Computed tomography, abdomen · axial view · abdomen soft-tissue window · 15 organs annotated in this scan (counted over the whole 3D scan, not this slice; an organ is boxed only where this slice passes through it)
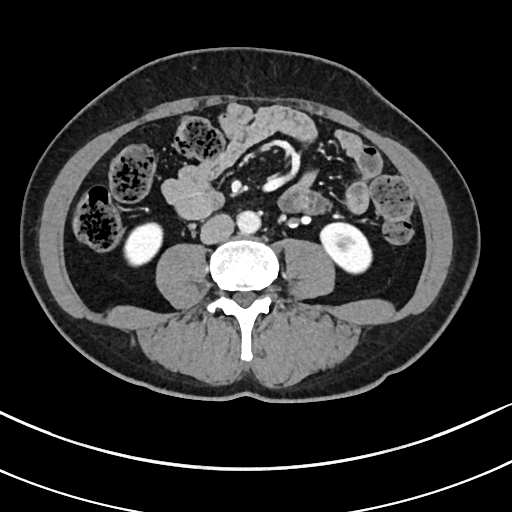
<organs><organ name="aorta" x1="237" y1="210" x2="260" y2="233"/><organ name="inferior vena cava" x1="200" y1="214" x2="233" y2="244"/><organ name="left kidney" x1="320" y1="222" x2="371" y2="273"/><organ name="right kidney" x1="124" y1="222" x2="162" y2="265"/></organs>